CT, abdomen/pelvis. Axial slice 74/89. abdomen soft-tissue window. 768x768 px
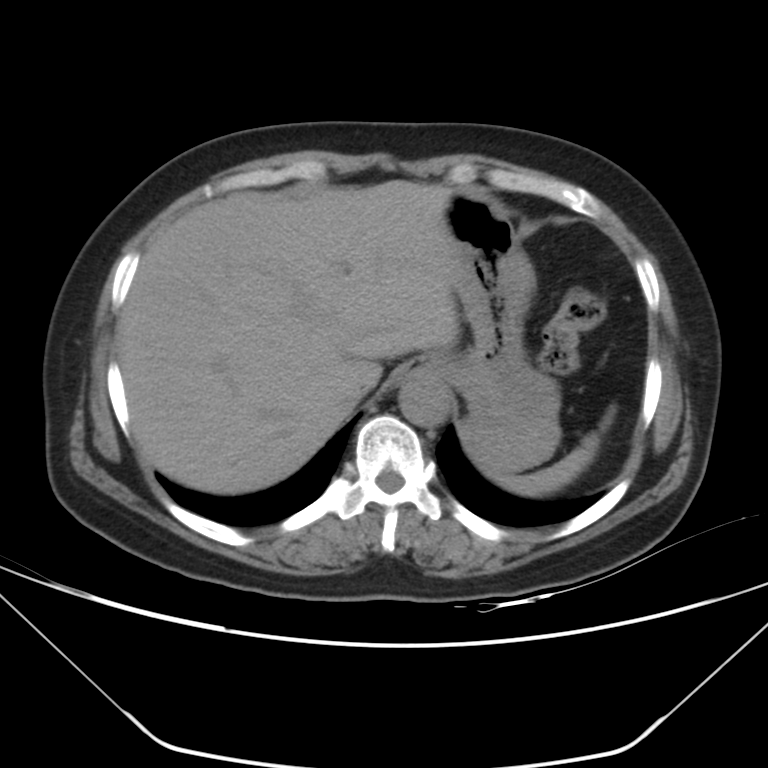 Organ boxes in pixel coordinates; each row gives the top-left (x1, y1) and bottom-right (x2, y2) corners.
| organ | x1 | y1 | x2 | y2 |
|---|---|---|---|---|
| esophagus | 405 | 360 | 438 | 377 |
| stomach | 429 | 189 | 560 | 473 |
| inferior vena cava | 331 | 373 | 369 | 410 |
| aorta | 398 | 377 | 451 | 427 |
| liver | 117 | 179 | 459 | 494 |
| spleen | 492 | 431 | 599 | 497 |